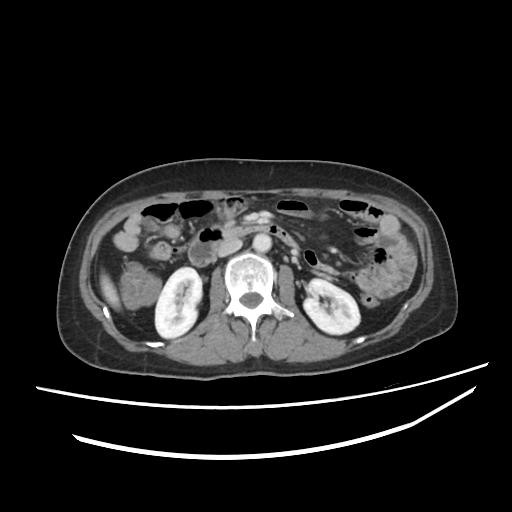 Computed tomography, abdomen — axial plane, index 55 — 512x512 px — acquired on Aquilion ONE
Bounding boxes in pixels, one row per box: x1, y1 is the top-left corner and x2, y2 the bottom-right.
| organ | x1 | y1 | x2 | y2 |
|---|---|---|---|---|
| aorta | 253 | 233 | 271 | 252 |
| left kidney | 303 | 279 | 360 | 334 |
| right kidney | 155 | 267 | 201 | 338 |
| inferior vena cava | 217 | 239 | 242 | 256 |
| duodenum | 188 | 225 | 296 | 266 |
| liver | 100 | 274 | 119 | 308 |